CT abdomen · axial view · W/L 400/40 HU
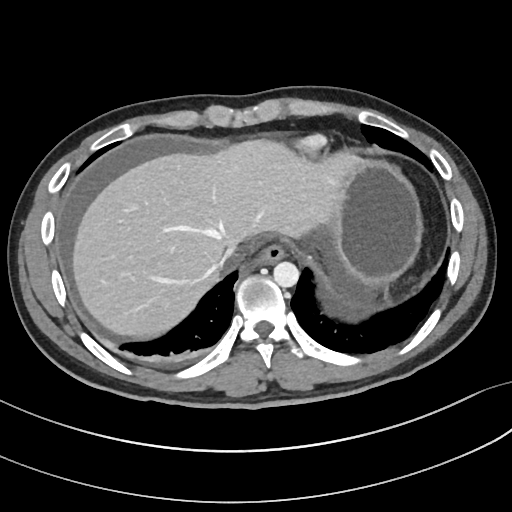

{"organs":{"esophagus":[253,243,286,264],"liver":[72,139,355,339],"stomach":[332,157,423,287],"aorta":[273,261,298,287],"inferior vena cava":[222,247,235,264]}}